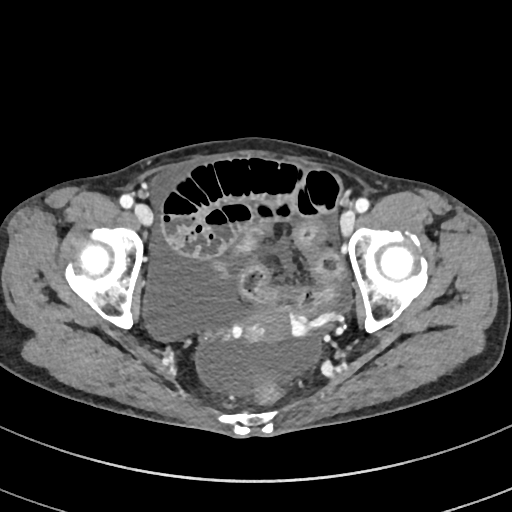
CT abdomen. axial view. soft-tissue window. 512x512 px
Box edges are left/top/right/bottom in pixels. The annotated organs in this slice are: prostate/uterus at left=243, top=306, right=294, bottom=342.